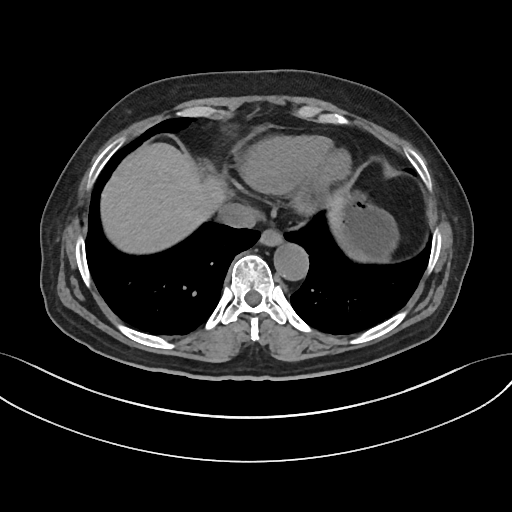
CT abdomen · axial plane, index 190 · scan has 15 labeled organs (that count is for the whole scan; organs this slice misses have no box)
Each box given as x1,y1,x2,y2. Labeled organs on this slice: esophagus at x1=259, y1=229, x2=282, y2=246, liver at x1=101, y1=143, x2=340, y2=253, stomach at x1=333, y1=192, x2=399, y2=261, aorta at x1=274, y1=243, x2=308, y2=280, inferior vena cava at x1=219, y1=203, x2=258, y2=228.